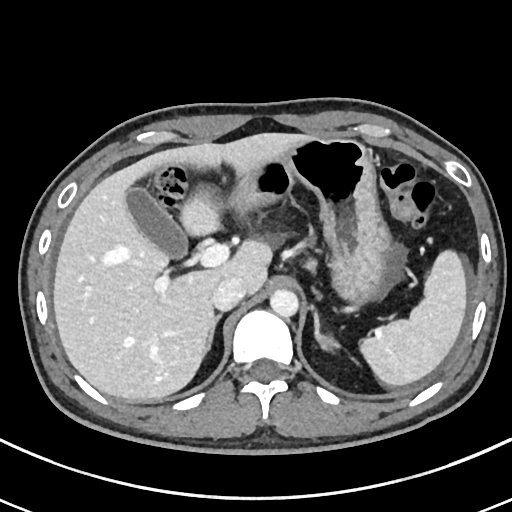
CT, abdomen/pelvis · axial view · abdomen soft-tissue window · acquired on SOMATOM Force · scan has 15 labeled organs (that count is for the whole scan; organs this slice misses have no box)
<organs><organ name="left adrenal gland" x1="313" y1="316" x2="339" y2="352"/><organ name="liver" x1="54" y1="133" x2="319" y2="401"/><organ name="aorta" x1="271" y1="290" x2="299" y2="317"/><organ name="inferior vena cava" x1="212" y1="277" x2="245" y2="311"/><organ name="spleen" x1="359" y1="251" x2="465" y2="384"/><organ name="stomach" x1="230" y1="139" x2="393" y2="316"/><organ name="gall bladder" x1="126" y1="187" x2="186" y2="256"/><organ name="right adrenal gland" x1="205" y1="315" x2="222" y2="353"/></organs>